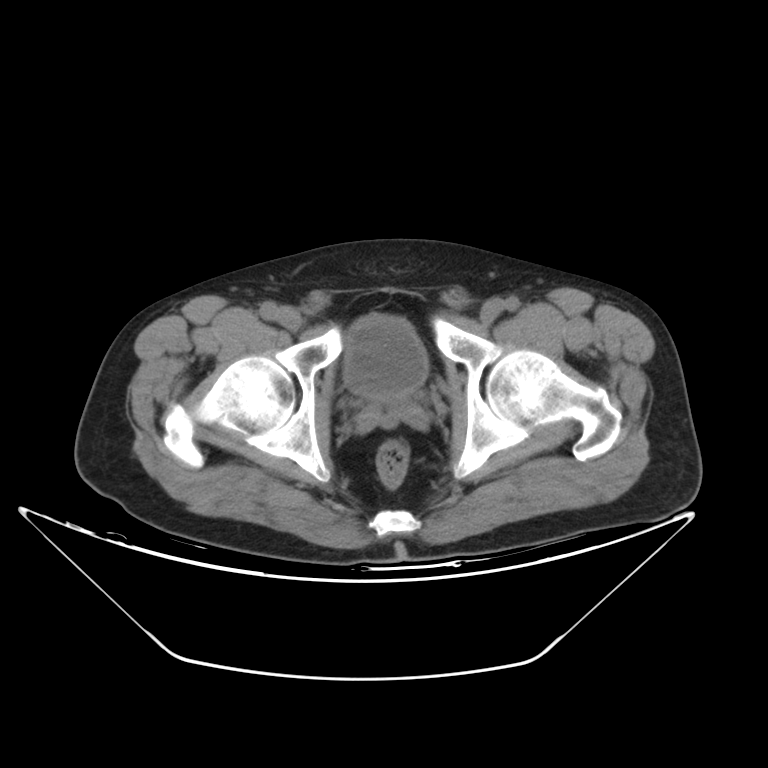
Computed tomography, abdomen — axial view — W/L 400/40 HU — scan has 15 labeled organs (a whole-scan count: organs this slice does not pass through have no box)
Each box given as x1,y1,x2,y2.
Organ bounding boxes:
- bladder: x1=342, y1=312, x2=426, y2=399